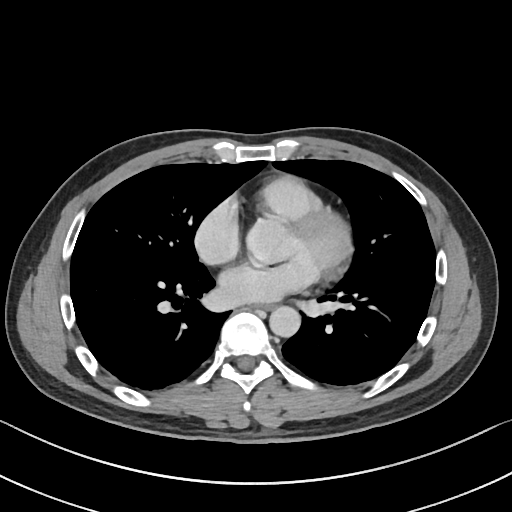 Abdominal CT; this slice is in the lower chest, just above the liver — axial view — scan has 15 labeled organs (a whole-scan count: organs this slice does not pass through have no box)
The heart and lungs are never labeled in this dataset, so they have no box on this slice.
<organs><organ name="esophagus" x1="254" y1="303" x2="273" y2="310"/><organ name="aorta" x1="269" y1="306" x2="300" y2="337"/></organs>